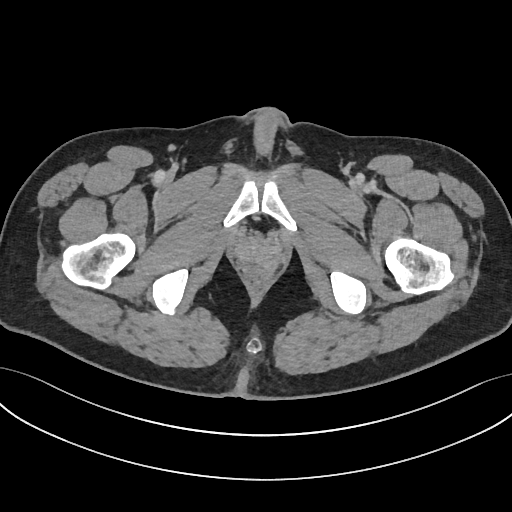

Abdominal CT · axial view
Each box given as x1,y1,x2,y2. Labeled organs on this slice: prostate/uterus at x1=237, y1=238, x2=276, y2=273.